CT abdomen; axial plane, index 56; Brilliance16 scanner
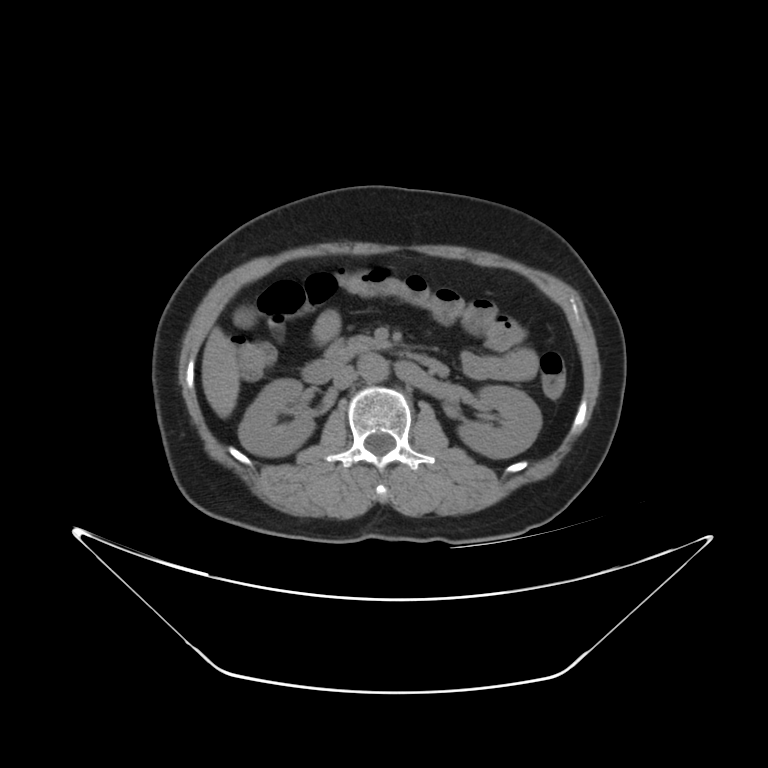

{"organs":{"right kidney":[239,377,311,455],"left kidney":[458,386,540,456],"gall bladder":[235,308,253,326],"liver":[202,326,240,417],"aorta":[357,352,388,381],"inferior vena cava":[333,368,355,387],"pancreas":[325,337,393,363],"duodenum":[301,351,452,385]}}